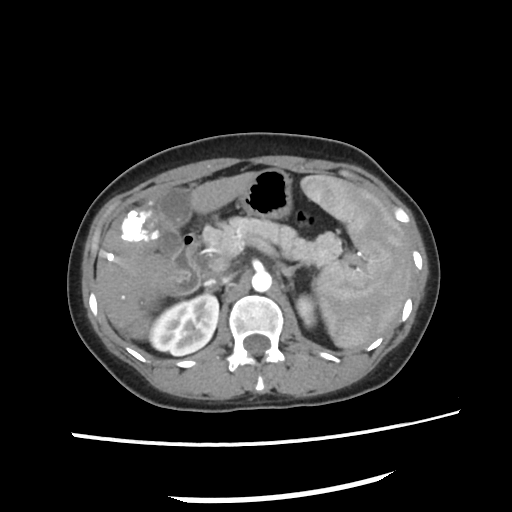 CT, abdomen/pelvis — axial plane, index 66 — soft-tissue window (W 400 / L 40) — 512x512 px — scan has 15 labeled organs (a whole-scan count: organs this slice does not pass through have no box)
Each box given as x1,y1,x2,y2.
spleen: x1=298, y1=176, x2=413, y2=349
right kidney: x1=149, y1=292, x2=219, y2=356
left kidney: x1=296, y1=295, x2=315, y2=326
gall bladder: x1=158, y1=185, x2=194, y2=256
liver: x1=96, y1=173, x2=255, y2=338
stomach: x1=239, y1=169, x2=293, y2=219
aorta: x1=252, y1=271, x2=272, y2=291
inferior vena cava: x1=206, y1=275, x2=231, y2=286
pancreas: x1=200, y1=218, x2=342, y2=277
left adrenal gland: x1=279, y1=265, x2=300, y2=287
duodenum: x1=167, y1=233, x2=200, y2=294